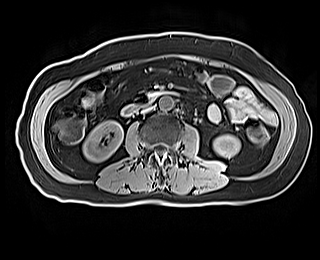

Abdominal MR · axial view · percentile-normalized
<organs><organ name="aorta" x1="159" y1="96" x2="173" y2="110"/><organ name="duodenum" x1="122" y1="91" x2="178" y2="115"/><organ name="inferior vena cava" x1="141" y1="106" x2="152" y2="113"/><organ name="left kidney" x1="213" y1="134" x2="240" y2="157"/><organ name="right kidney" x1="83" y1="120" x2="123" y2="162"/></organs>